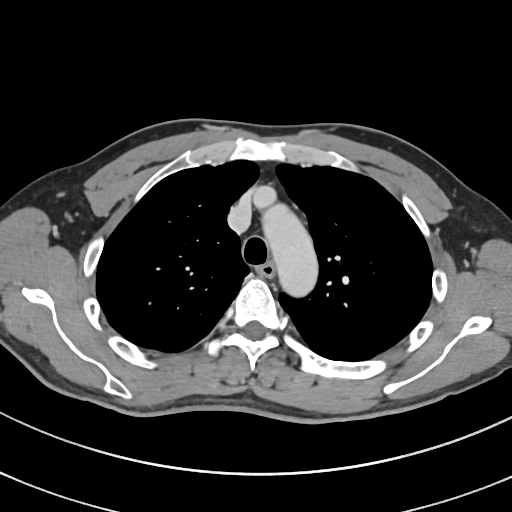

Chest-level slice from an abdominal CT that extends up into the chest. axial view. 512x512 px. scan has 15 labeled organs (a whole-scan count: organs this slice does not pass through have no box)
At this level of the chest no structure but the esophagus and the aorta has a label in this dataset, and those two are boxed only where they are labeled.
Organ boxes in pixel coordinates; each row gives the top-left (x1, y1) and bottom-right (x2, y2) corners.
| organ | x1 | y1 | x2 | y2 |
|---|---|---|---|---|
| esophagus | 258 | 261 | 275 | 277 |
| aorta | 262 | 204 | 317 | 296 |